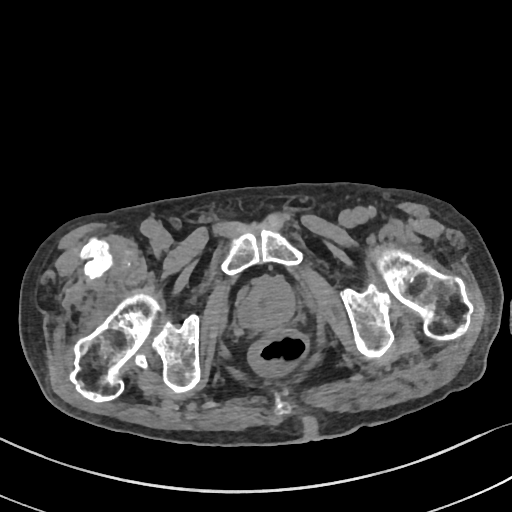
Computed tomography, abdomen; axial view; 512x512 px
Boxes: x1 y1 x2 y2 (pixel coords, space-separated).
Organ bounding boxes:
- prostate/uterus: 239 278 295 329